Abdominal CT; axial view; abdomen soft-tissue window; scan has 15 labeled organs (counted over the whole 3D scan, not this slice; an organ is boxed only where this slice passes through it)
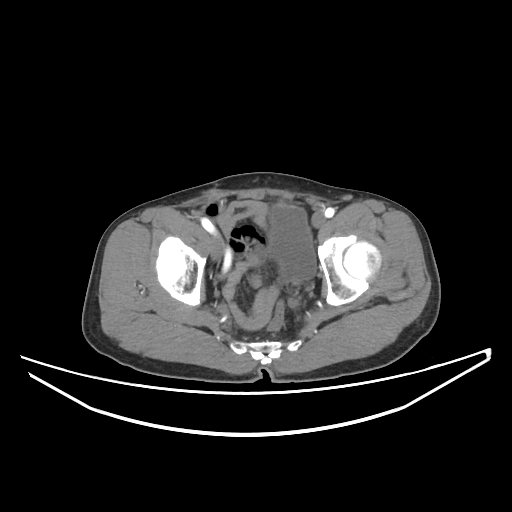 <organs><organ name="bladder" x1="269" y1="204" x2="315" y2="281"/></organs>